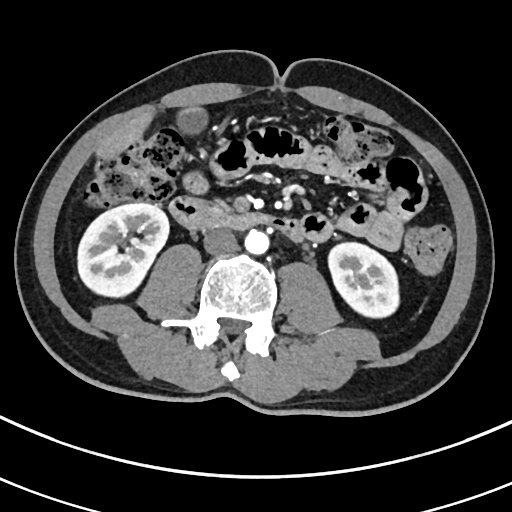

CT abdomen — axial view — abdomen soft-tissue window — 512x512 px — acquired on SOMATOM Force — scan has 15 labeled organs (counted over the whole 3D scan, not this slice; an organ is boxed only where this slice passes through it)
Bounding boxes as [x1, y1, x2, y2] in pixel coordinates.
liver: [93, 107, 152, 160]
aorta: [244, 229, 269, 254]
gall bladder: [174, 105, 210, 139]
duodenum: [169, 196, 304, 241]
inferior vena cava: [202, 228, 236, 255]
left kidney: [327, 241, 401, 319]
pancreas: [207, 197, 235, 217]
right kidney: [77, 203, 168, 296]